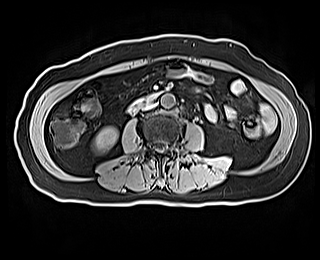
Abdominal MR. axial view. percentile-normalized. 320x260 px. 13 organs annotated in this scan (counted over the whole 3D scan, not this slice; an organ is boxed only where this slice passes through it)
{"organs":{"right kidney":[93,127,118,153],"aorta":[161,94,175,108],"inferior vena cava":[142,103,156,110],"duodenum":[127,90,163,114]}}